CT, abdomen/pelvis · axial view · acquired on SOMATOM Force
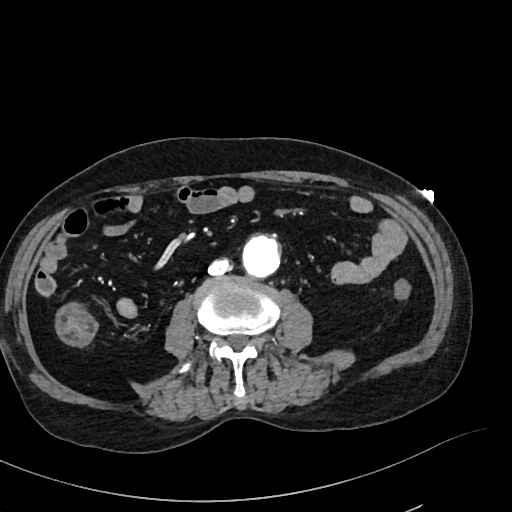

Box edges are left/top/right/bottom in pixels.
Organ bounding boxes:
- aorta: left=242, top=236, right=280, bottom=277
- inferior vena cava: left=207, top=259, right=231, bottom=276